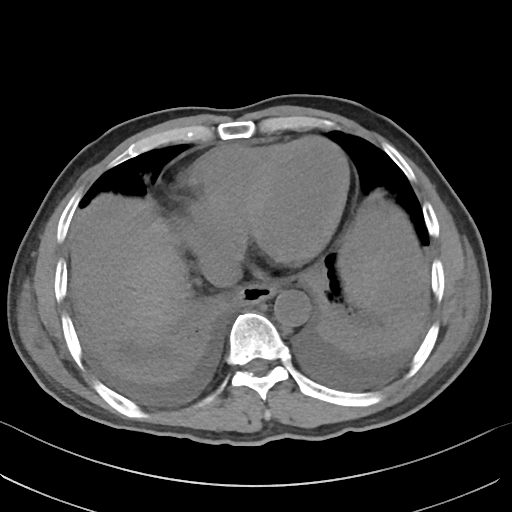
Computed tomography, abdomen — axial view — soft-tissue window (W 400 / L 40) — 512x512 px — scan has 15 labeled organs (a whole-scan count: organs this slice does not pass through have no box)
Organ boxes in pixel coordinates; each row gives the top-left (x1, y1) and bottom-right (x2, y2) corners.
| organ | x1 | y1 | x2 | y2 |
|---|---|---|---|---|
| esophagus | 235 | 282 | 276 | 304 |
| liver | 124 | 251 | 387 | 332 |
| aorta | 274 | 289 | 310 | 326 |
| inferior vena cava | 203 | 255 | 241 | 286 |